Abdominal CT; axial view; scan has 14 labeled organs (counted over the whole 3D scan, not this slice; an organ is boxed only where this slice passes through it)
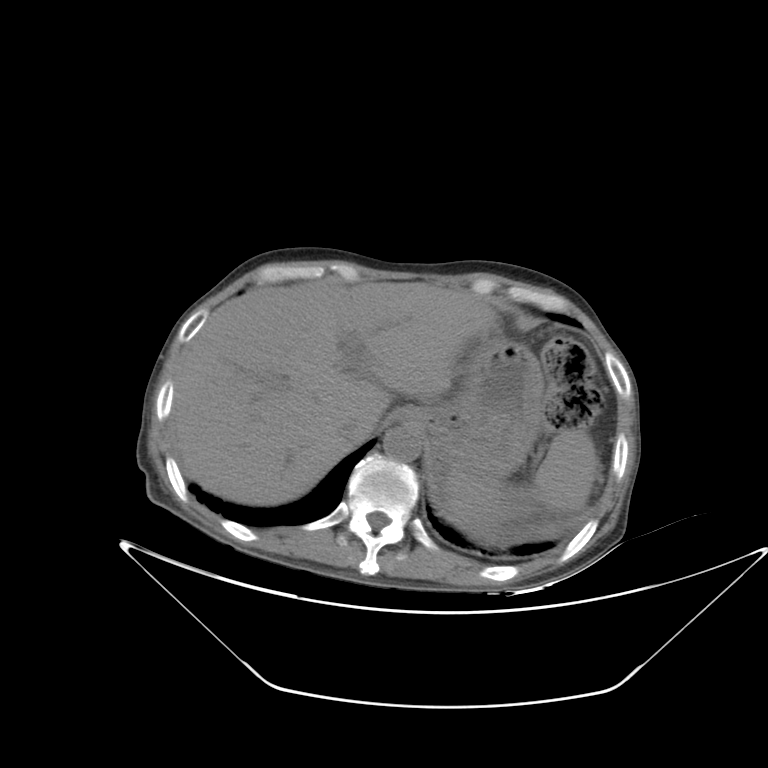

One row per box, in pixels: columns x1 and y1 give the top-left corner, x2 and y2 the bottom-right.
| organ | x1 | y1 | x2 | y2 |
|---|---|---|---|---|
| stomach | 424 | 334 | 544 | 488 |
| liver | 170 | 281 | 495 | 505 |
| esophagus | 399 | 405 | 428 | 427 |
| aorta | 383 | 426 | 421 | 462 |
| inferior vena cava | 335 | 415 | 377 | 440 |
| spleen | 445 | 429 | 599 | 542 |